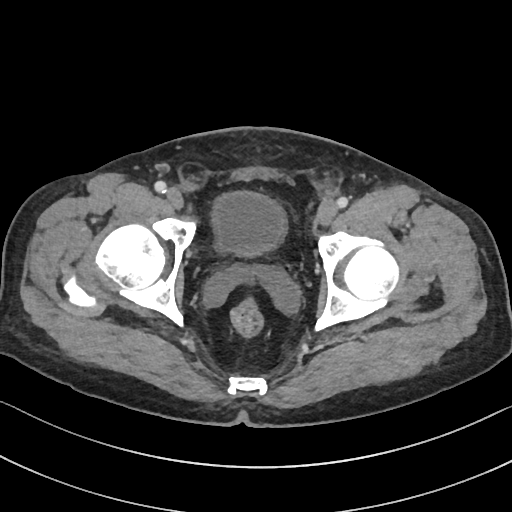 CT, abdomen/pelvis. axial view
<organs><organ name="bladder" x1="212" y1="192" x2="285" y2="256"/></organs>